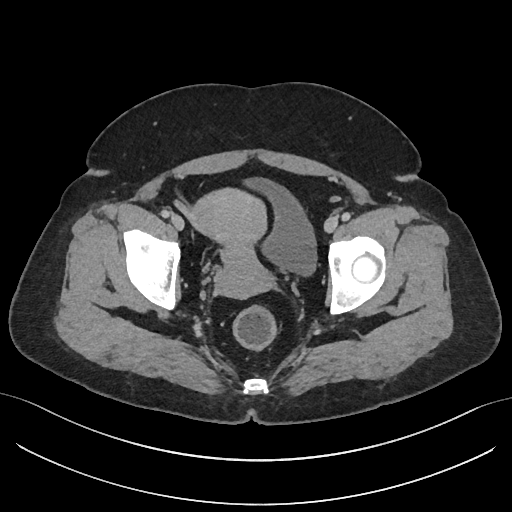 CT abdomen — axial view — soft-tissue window — scan has 15 labeled organs (that count is for the whole scan; organs this slice misses have no box)
Each box given as x1,y1,x2,y2.
prostate/uterus: x1=189, y1=190, x2=268, y2=297
bladder: x1=245, y1=178, x2=315, y2=274